CT abdomen — axial plane, index 10
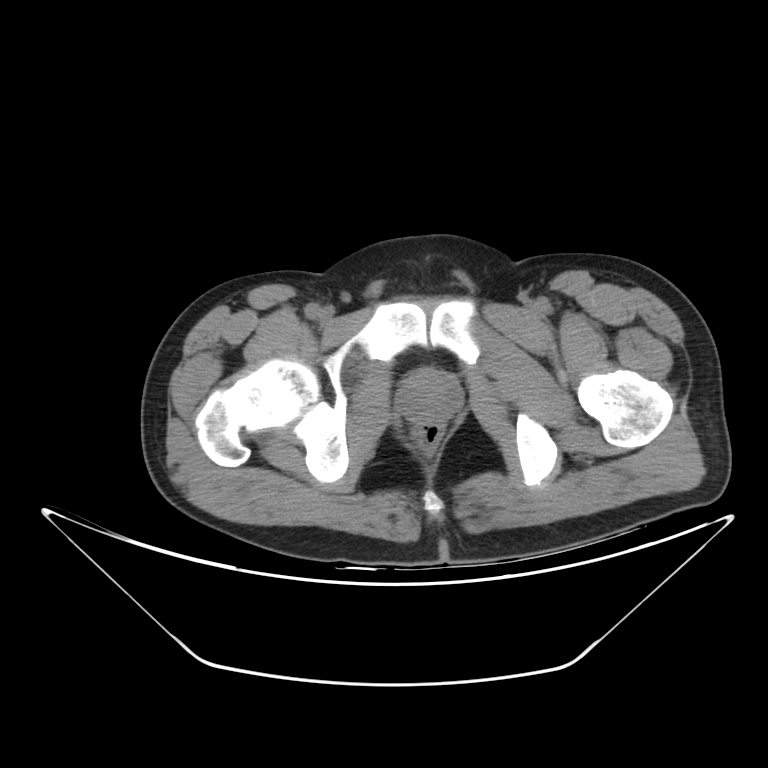

Organ boxes in pixel coordinates; each row gives the top-left (x1, y1) and bottom-right (x2, y2) corners.
| organ | x1 | y1 | x2 | y2 |
|---|---|---|---|---|
| prostate/uterus | 400 | 373 | 459 | 421 |